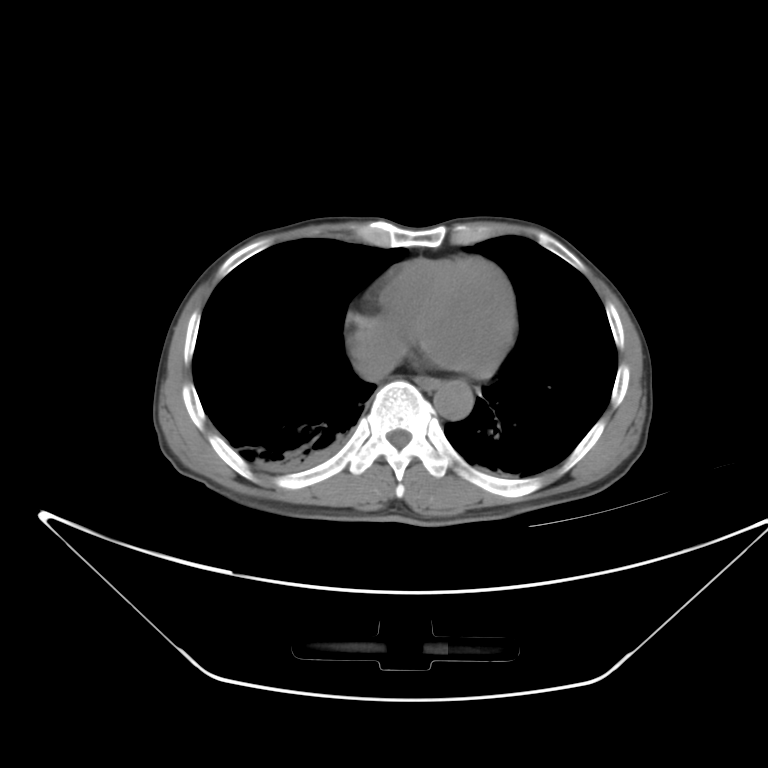

Abdominal CT; this slice is in the lower chest, just above the liver. axial view. 51-year-old male patient
Of the structures in the chest, this dataset labels only the esophagus, the aorta and the inferior vena cava; the heart and lungs have no label. Coordinates as <box>x1,y1,x2,y2</box> in pixels. Labeled organs on this slice: esophagus at <box>417,378,439,391</box>, aorta at <box>431,379,471,422</box>.